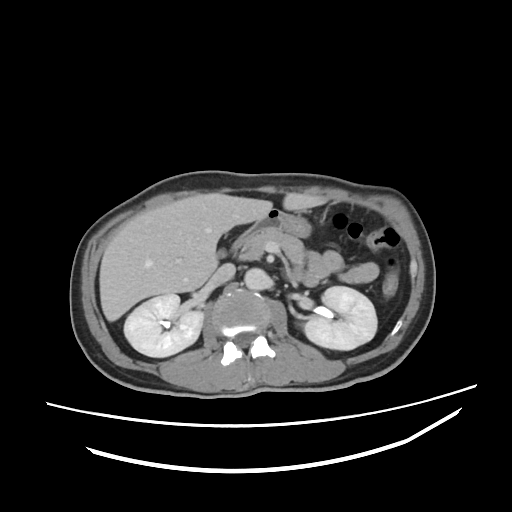
Computed tomography, abdomen — Axial slice 66/131 — 512x512 px
<organs><organ name="inferior vena cava" x1="209" y1="263" x2="235" y2="287"/><organ name="gall bladder" x1="218" y1="250" x2="224" y2="256"/><organ name="liver" x1="99" y1="192" x2="326" y2="321"/><organ name="duodenum" x1="233" y1="209" x2="278" y2="247"/><organ name="aorta" x1="244" y1="268" x2="269" y2="290"/><organ name="pancreas" x1="240" y1="227" x2="304" y2="268"/><organ name="stomach" x1="278" y1="210" x2="311" y2="237"/><organ name="right kidney" x1="124" y1="293" x2="203" y2="357"/><organ name="left kidney" x1="303" y1="286" x2="377" y2="349"/></organs>